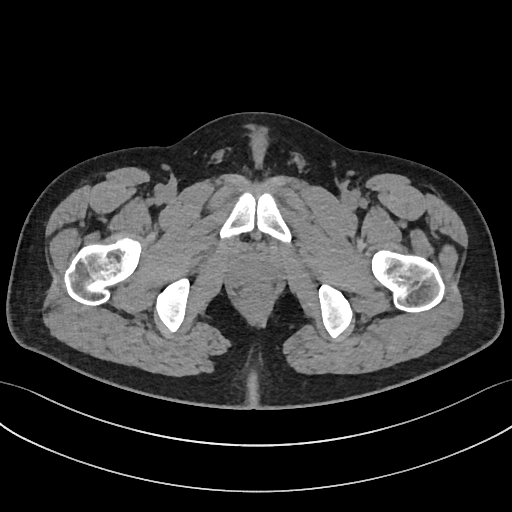 CT, abdomen/pelvis. Axial slice 16/225. W/L 400/40 HU
<organs><organ name="prostate/uterus" x1="239" y1="261" x2="268" y2="281"/></organs>